Computed tomography, abdomen · axial view · W/L 400/40 HU
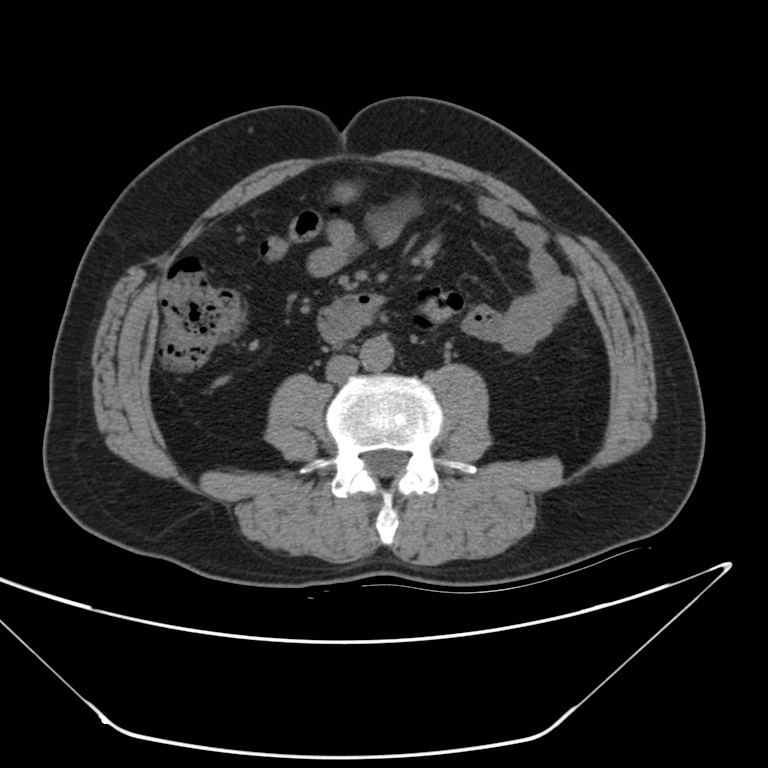
{"organs":{"aorta":[360,336,394,371],"inferior vena cava":[325,357,355,381],"duodenum":[318,295,379,342]}}